Chest-level slice from an abdominal CT that extends up into the chest · axial view · 512x512 px
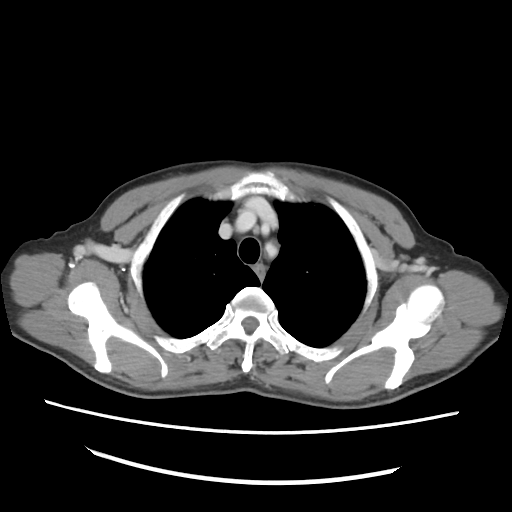
At this level of the chest no structure but the esophagus and the aorta has a label in this dataset, and those two are boxed only where they are labeled.
{"organs":{"esophagus":[253,264,265,282]}}